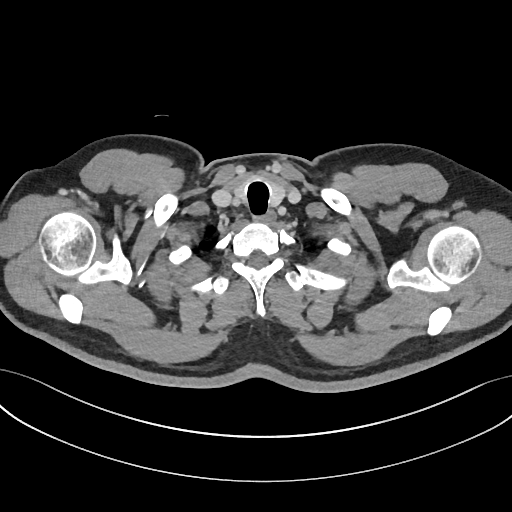
Chest-level slice from an abdominal CT that extends up into the chest. axial view. 512x512 px. scan has 15 labeled organs (that count is for the whole scan; organs this slice misses have no box)
On a slice this high in the chest, this dataset labels only the esophagus and the aorta, and each is boxed only where it is labeled; the heart, lungs and other chest structures are not labeled.
Boxes: x1:y1:x2:y2 in pixels.
esophagus: 265:211:275:223